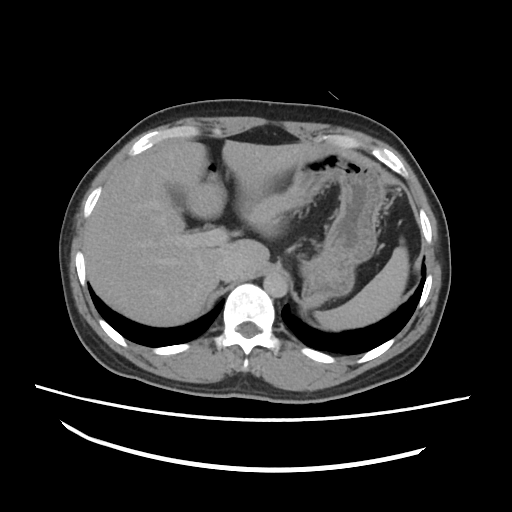
Computed tomography, abdomen; axial view; soft-tissue window; 512x512 px
<organs><organ name="inferior vena cava" x1="216" y1="257" x2="247" y2="281"/><organ name="aorta" x1="264" y1="273" x2="288" y2="297"/><organ name="spleen" x1="314" y1="240" x2="409" y2="331"/><organ name="gall bladder" x1="166" y1="183" x2="188" y2="212"/><organ name="liver" x1="84" y1="138" x2="330" y2="325"/><organ name="stomach" x1="247" y1="150" x2="384" y2="306"/></organs>